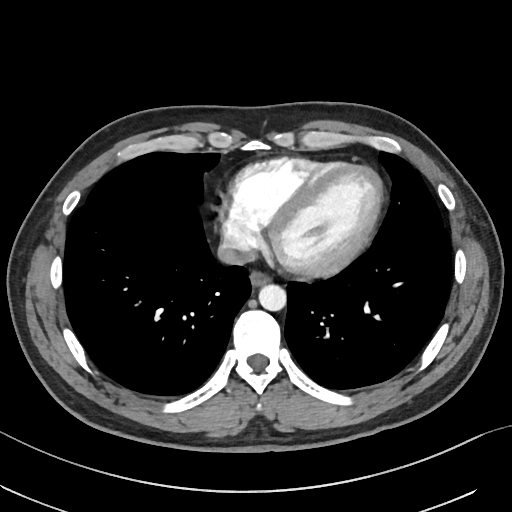 Abdominal CT; this slice is in the lower chest, just above the liver — axial view — acquired on SOMATOM Force
No part of the heart or lungs is labeled in this dataset, so neither has a box here.
{"organs":{"esophagus":[249,270,269,286],"aorta":[258,284,286,310],"inferior vena cava":[217,238,256,265]}}